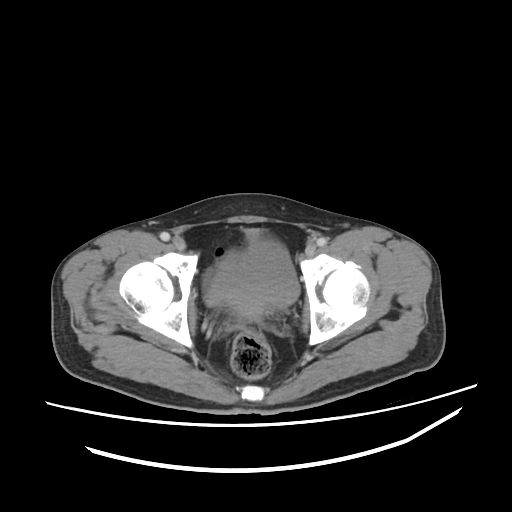
Abdominal CT; axial view; W/L 400/40 HU; 512x512 px; 49-year-old male patient
<organs><organ name="bladder" x1="207" y1="240" x2="300" y2="319"/></organs>